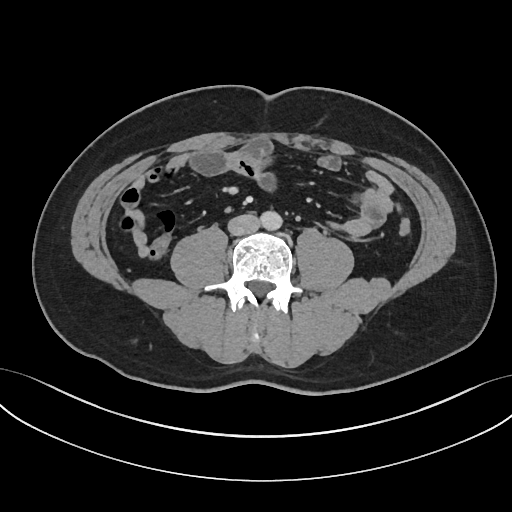
Abdominal CT. axial plane, index 123
Box edges are left/top/right/bottom in pixels.
Organ bounding boxes:
- aorta: left=260, top=211, right=282, bottom=230
- inferior vena cava: left=228, top=214, right=259, bottom=235